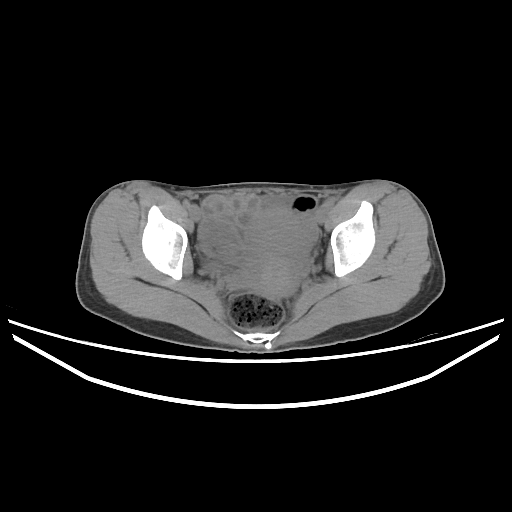
Abdominal CT · Axial slice 19/85 · 512x512 px · 31-year-old female patient
Bounding boxes in pixels, one row per box: x1, y1 is the top-left corner and x2, y2 the bottom-right.
| organ | x1 | y1 | x2 | y2 |
|---|---|---|---|---|
| bladder | 206 | 263 | 295 | 275 |
| prostate/uterus | 257 | 207 | 297 | 296 |